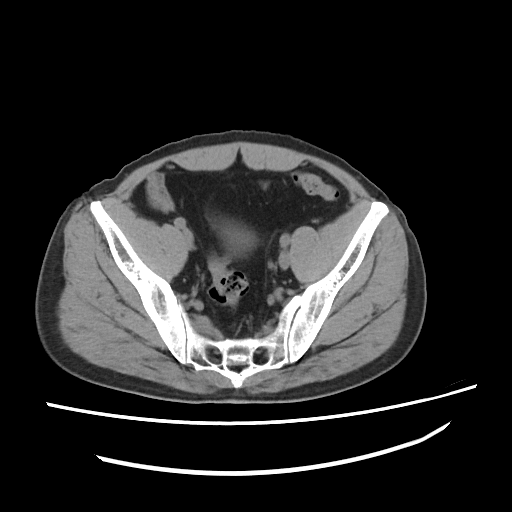
Computed tomography, abdomen; axial view; 45-year-old male patient
Each box given as x1,y1,x2,y2.
Organ bounding boxes:
- bladder: x1=220, y1=226, x2=253, y2=255